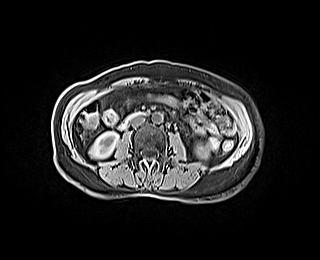 Abdominal MRI. axial plane, index 21. percentile-normalized. 320x260 px. acquired on Prisma
{"organs":{"right kidney":[89,132,118,158],"left kidney":[195,144,208,159],"aorta":[152,112,162,123],"inferior vena cava":[131,116,144,126],"duodenum":[118,110,145,130]}}